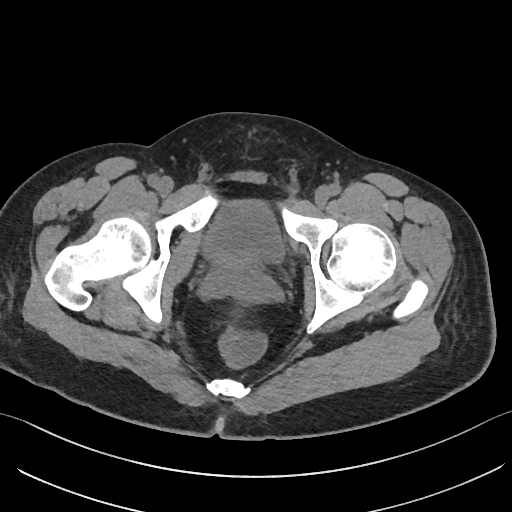 Abdominal CT. axial plane, index 19. 512x512 px
Boxes are (x1, y1, x2, y2) in pixels. Labeled organs on this slice: bladder at (203, 199, 282, 262), prostate/uterus at (218, 254, 257, 277).